CT, abdomen/pelvis — axial view — 75-year-old female patient — 15 organs annotated in this scan (a whole-scan count: organs this slice does not pass through have no box)
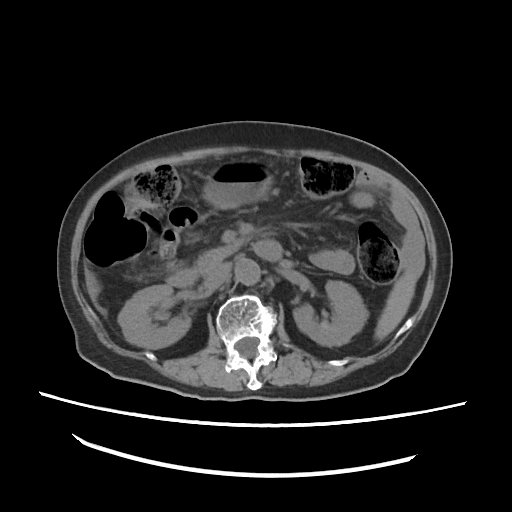
Each box given as x1,y1,x2,y2. The annotated organs in this slice are: spleen at x1=376, y1=269, x2=416, y2=339, right kidney at x1=118, y1=283, x2=191, y2=346, left kidney at x1=295, y1=280, x2=367, y2=345, liver at x1=84, y1=268, x2=97, y2=299, stomach at x1=203, y1=160, x2=271, y2=206, aorta at x1=235, y1=259, x2=260, y2=284, inferior vena cava at x1=205, y1=262, x2=230, y2=289, pancreas at x1=199, y1=240, x2=241, y2=273, duodenum at x1=167, y1=241, x2=283, y2=288.